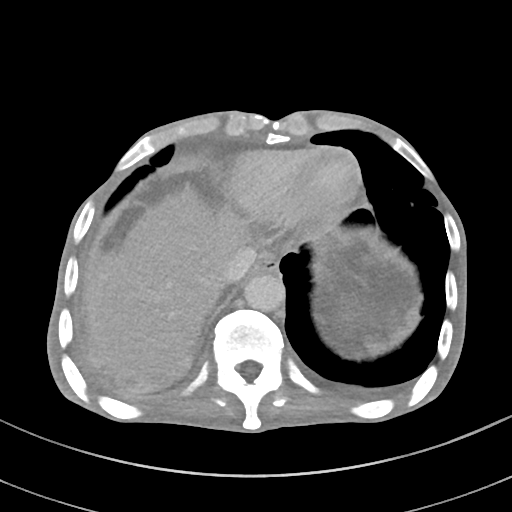

CT, abdomen/pelvis — axial view
Each box given as x1,y1,x2,y2.
Organ bounding boxes:
- liver: x1=102, y1=187, x2=244, y2=371
- esophagus: x1=254, y1=252, x2=279, y2=273
- aorta: x1=244, y1=273, x2=285, y2=311
- inferior vena cava: x1=221, y1=246, x2=256, y2=283